Chest-level slice from an abdominal CT that extends up into the chest — axial view
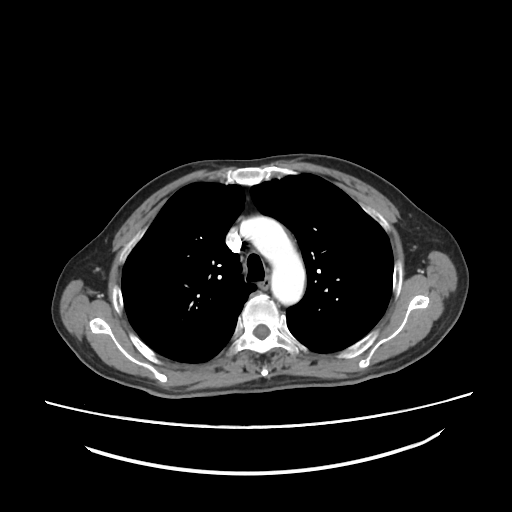 On a slice this high in the chest, this dataset labels only the esophagus and the aorta, and each is boxed only where it is labeled; the heart, lungs and other chest structures are not labeled. Boxes: x1 y1 x2 y2 (pixel coords, space-separated). Labeled organs on this slice: esophagus at 259 282 270 290, aorta at 241 216 305 305.